Abdominal CT. Axial slice 102/191. 512x512 px. SOMATOM Force scanner
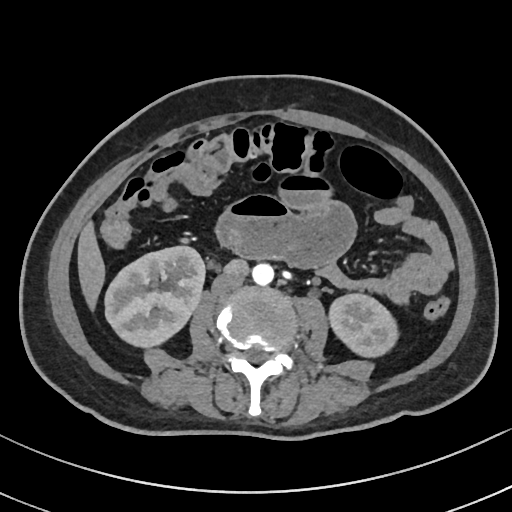
Box edges are left/top/right/bottom in pixels. 5 labeled organs on this slice — left kidney at left=329, top=294, right=398, bottom=357; liver at left=77, top=222, right=105, bottom=310; inferior vena cava at left=212, top=274, right=244, bottom=294; right kidney at left=105, top=246, right=204, bottom=347; aorta at left=252, top=263, right=274, bottom=285.